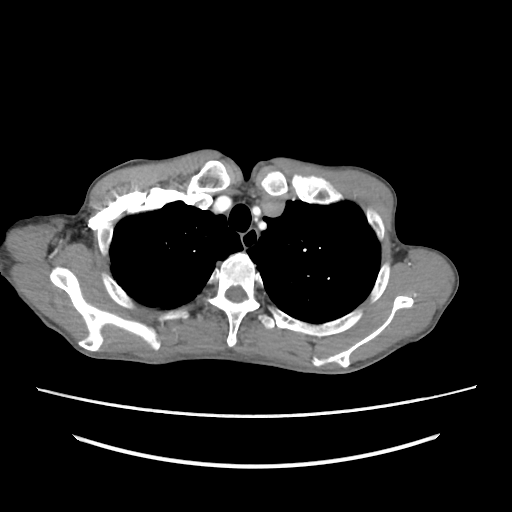
Chest-level slice from an abdominal CT that extends up into the chest; axial view; 512x512 px
At this level of the chest no structure but the esophagus and the aorta has a label in this dataset, and those two are boxed only where they are labeled.
<organs><organ name="esophagus" x1="240" y1="226" x2="258" y2="250"/></organs>